Abdominal CT · axial view · abdomen soft-tissue window · 16-year-old male patient
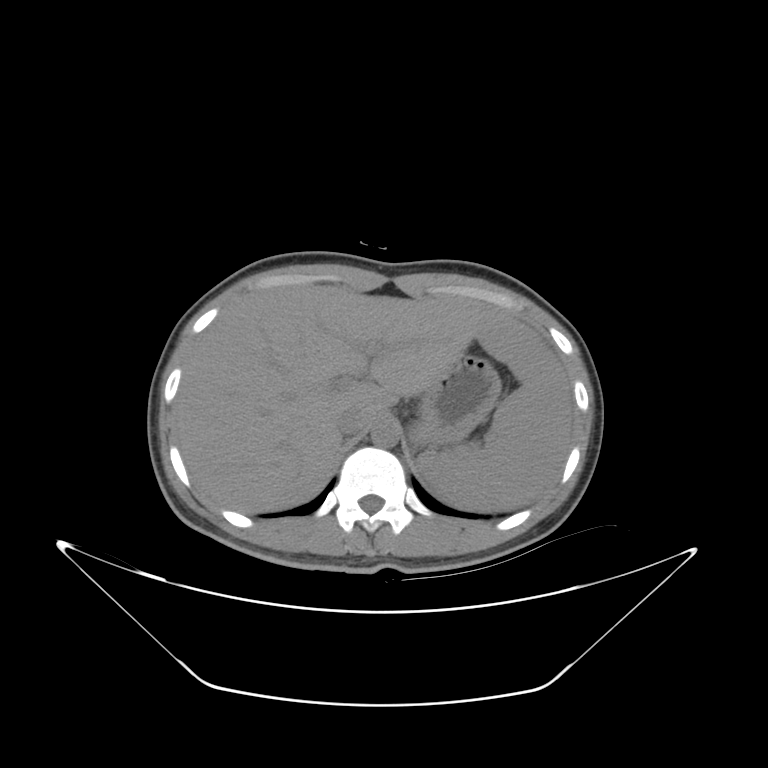
{"organs":{"spleen":[419,323,572,508],"liver":[174,285,567,512],"stomach":[405,357,496,446],"aorta":[370,421,399,447],"inferior vena cava":[337,411,369,435]}}